Abdominal CT reaching into the chest; this slice is in the chest. axial view
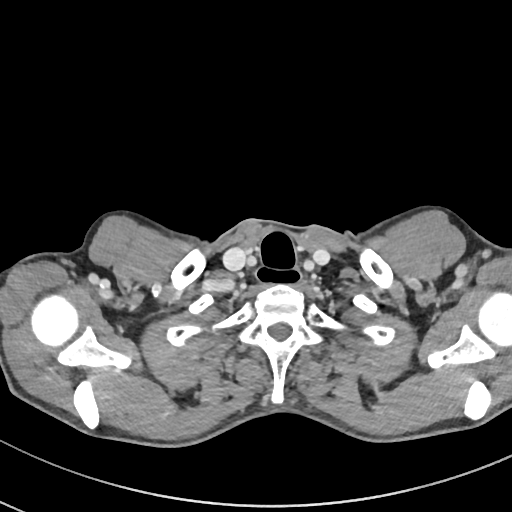

On a slice this high in the chest, this dataset labels only the esophagus and the aorta, and each is boxed only where it is labeled; the heart, lungs and other chest structures are not labeled.
One row per box, in pixels: columns x1 and y1 give the top-left corner, x2 and y2 the bottom-right.
| organ | x1 | y1 | x2 | y2 |
|---|---|---|---|---|
| esophagus | 256 | 267 | 300 | 284 |